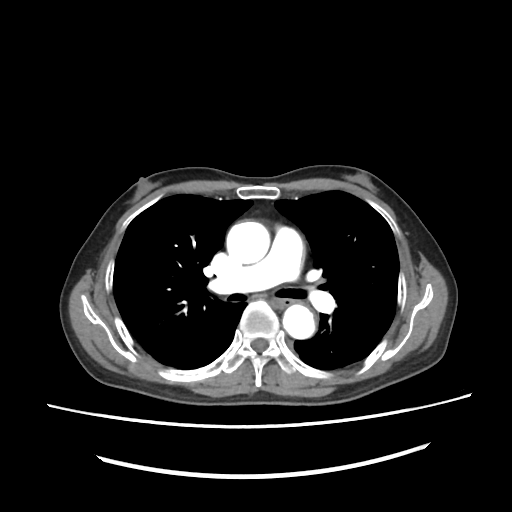 Abdominal CT reaching into the chest; this slice is in the chest — axial view — soft-tissue window
On a slice this high in the chest, this dataset labels only the esophagus and the aorta, and each is boxed only where it is labeled; the heart, lungs and other chest structures are not labeled.
<organs><organ name="esophagus" x1="273" y1="296" x2="294" y2="307"/><organ name="aorta" x1="227" y1="222" x2="269" y2="265"/><organ name="aorta" x1="282" y1="303" x2="316" y2="341"/></organs>